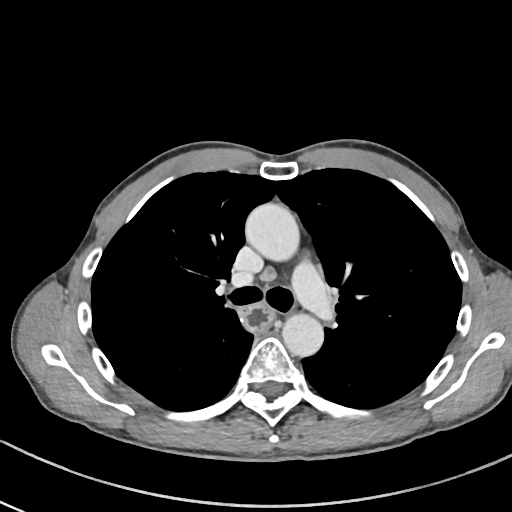

Chest-level CT slice, above the liver and spleen — axial view — soft-tissue window (W 400 / L 40)
At this level of the chest no structure but the esophagus and the aorta has a label in this dataset, and those two are boxed only where they are labeled.
Bounding boxes in pixels, one row per box: x1, y1 is the top-left corner and x2, y2 the bottom-right.
| organ | x1 | y1 | x2 | y2 |
|---|---|---|---|---|
| esophagus | 242 | 302 | 274 | 332 |
| aorta | 245 | 203 | 299 | 261 |
| aorta | 282 | 313 | 324 | 356 |